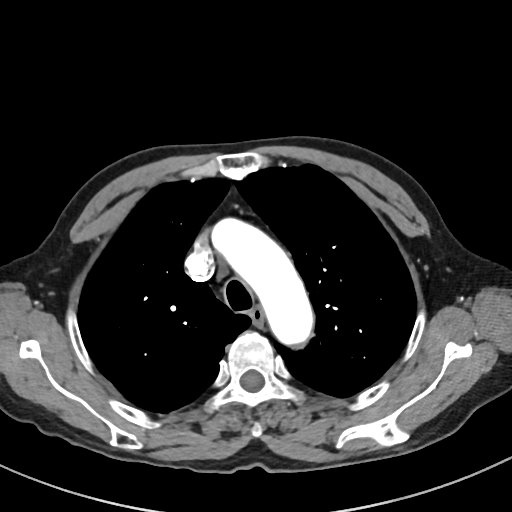 Chest-level CT slice, above the liver and spleen; Axial slice 272/303; W/L 400/40 HU
At this level of the chest no structure but the esophagus and the aorta has a label in this dataset, and those two are boxed only where they are labeled. Box edges are left/top/right/bottom in pixels. Labeled organs on this slice: esophagus at left=250, top=307, right=264, bottom=325, aorta at left=212, top=218, right=313, bottom=344.